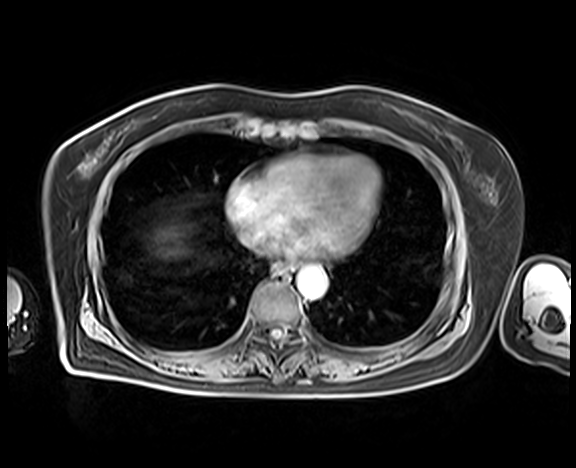

Magnetic resonance imaging, abdomen — Axial slice 62/72 — 576x468 px — scan has 12 labeled organs (that count is for the whole scan; organs this slice misses have no box)
Bounding boxes in pixels, one row per box: x1, y1 is the top-left corner and x2, y2 the bottom-right.
| organ | x1 | y1 | x2 | y2 |
|---|---|---|---|---|
| esophagus | 274 | 264 | 291 | 276 |
| liver | 161 | 228 | 177 | 242 |
| aorta | 297 | 268 | 326 | 298 |
| inferior vena cava | 245 | 233 | 274 | 254 |